CT of the abdomen reaching into the lower chest, slice just above the liver and spleen. axial view
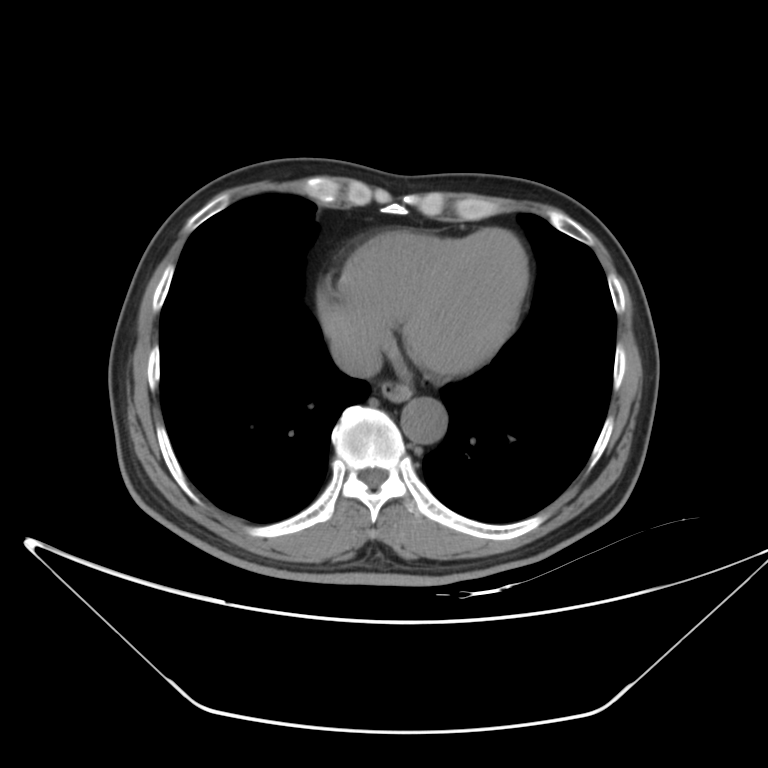

The heart and lungs are never labeled in this dataset, so they have no box on this slice.
Boxes: x1:y1:x2:y2 in pixels.
Organ bounding boxes:
- esophagus: 380:381:413:401
- aorta: 401:398:447:443
- inferior vena cava: 330:333:382:377